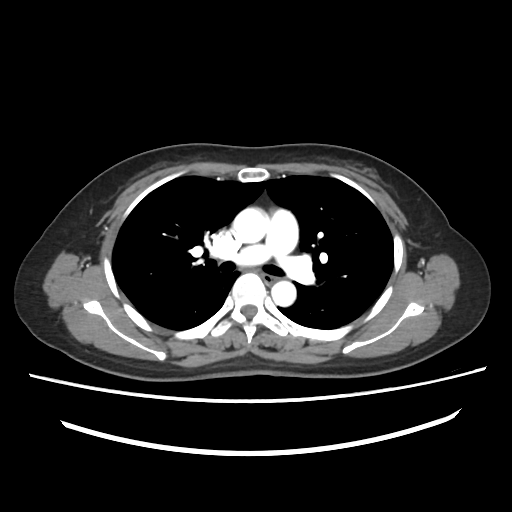
CT of the abdomen extending into the chest, slice through the chest. axial plane, index 105. 45-year-old female patient. 15 organs annotated in this scan (a whole-scan count: organs this slice does not pass through have no box)
On a slice this high in the chest, this dataset labels only the esophagus and the aorta, and each is boxed only where it is labeled; the heart, lungs and other chest structures are not labeled. Coordinates as <box>x1,y1,x2,y2</box> in pixels. The annotated organs in this slice are: esophagus at <box>263,274,276,286</box>, aorta at <box>232,207,268,243</box>, aorta at <box>271,281,296,306</box>.